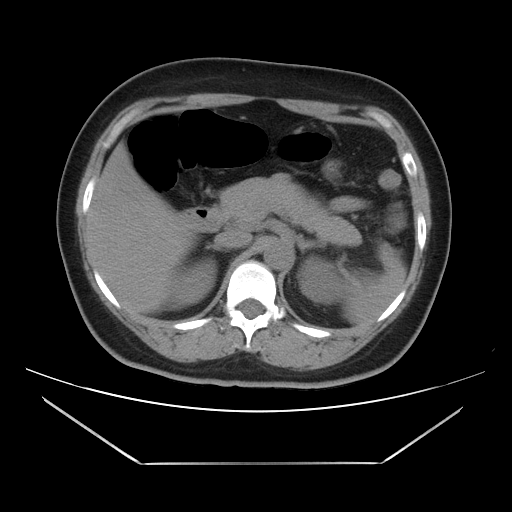

CT abdomen. axial view. soft-tissue window
Box edges are left/top/right/bottom in pixels. Labeled organs on this slice: spleen at left=343, top=259, right=406, bottom=325, right kidney at left=168, top=263, right=215, bottom=308, left kidney at left=298, top=257, right=344, bottom=304, liver at left=87, top=142, right=196, bottom=314, aorta at left=263, top=238, right=291, bottom=269, inferior vena cava at left=214, top=230, right=251, bottom=248, pancreas at left=220, top=173, right=361, bottom=245, right adrenal gland at left=206, top=244, right=224, bottom=250, left adrenal gland at left=296, top=234, right=321, bottom=253, duodenum at left=181, top=207, right=224, bottom=231.